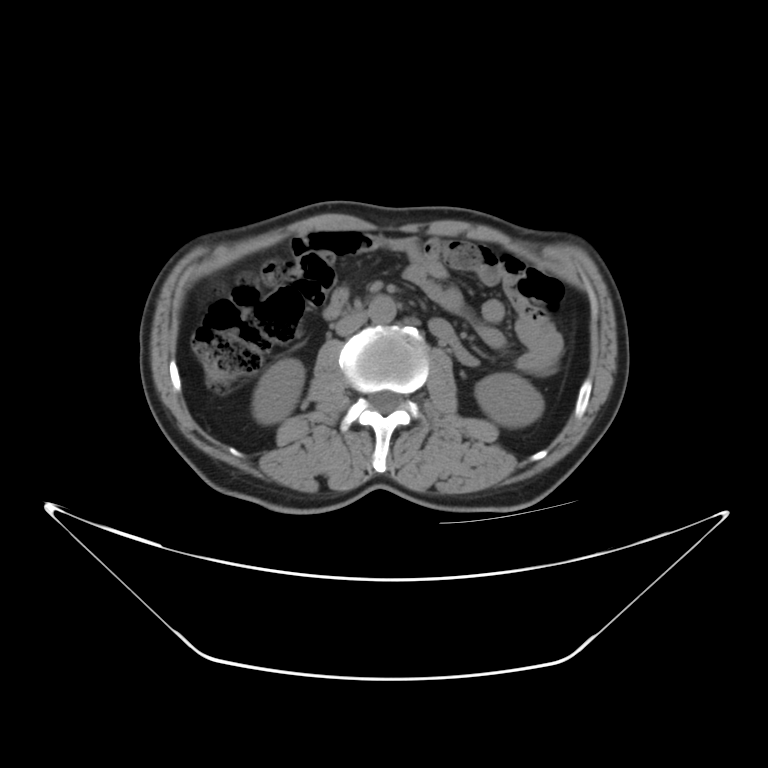 Computed tomography, abdomen — axial view — 768x768 px — Brilliance16 scanner
One row per box, in pixels: columns x1 and y1 give the top-left corner, x2 and y2 the bottom-right.
| organ | x1 | y1 | x2 | y2 |
|---|---|---|---|---|
| inferior vena cava | 334 | 310 | 369 | 335 |
| right kidney | 251 | 358 | 303 | 422 |
| aorta | 366 | 296 | 395 | 322 |
| left kidney | 476 | 373 | 542 | 425 |